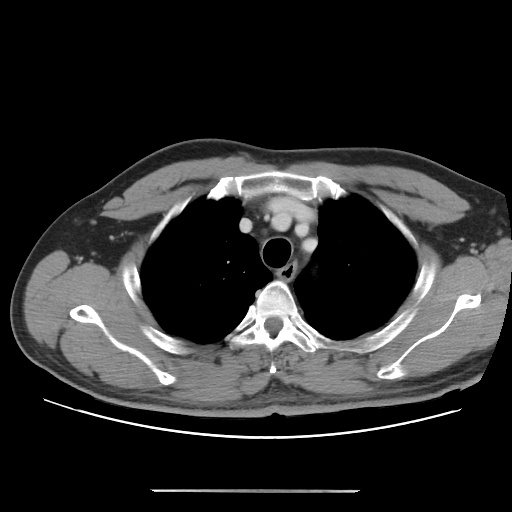 Chest-level CT slice, above the liver and spleen. axial plane, index 120. soft-tissue window (W 400 / L 40). 512x512 px
At this level of the chest this dataset labels only the esophagus and the aorta, and each is boxed only where it is labeled; the heart and lungs are never labeled.
{"organs":{"esophagus":[278,265,295,279]}}